Abdominal CT — axial view — 512x512 px
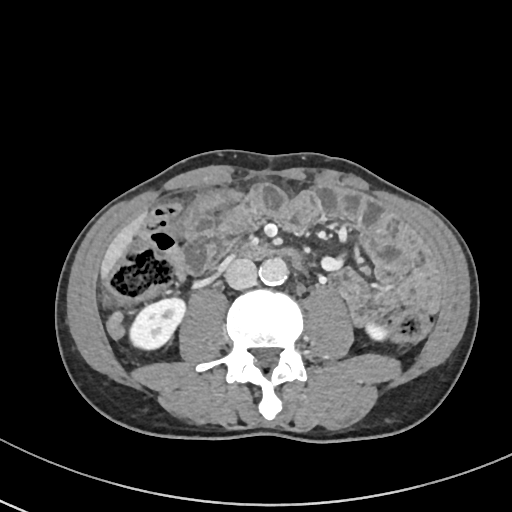

{"organs":{"right kidney":[130,297,185,348],"left kidney":[365,323,387,340],"liver":[100,211,146,279],"aorta":[259,257,287,285],"inferior vena cava":[224,258,256,289],"duodenum":[240,243,300,267]}}